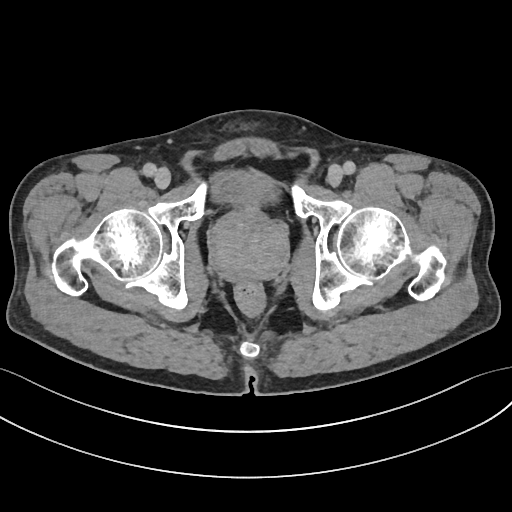
CT, abdomen/pelvis. axial view. soft-tissue window. acquired on SOMATOM Force
<organs><organ name="bladder" x1="209" y1="168" x2="277" y2="210"/><organ name="prostate/uterus" x1="210" y1="209" x2="288" y2="281"/></organs>